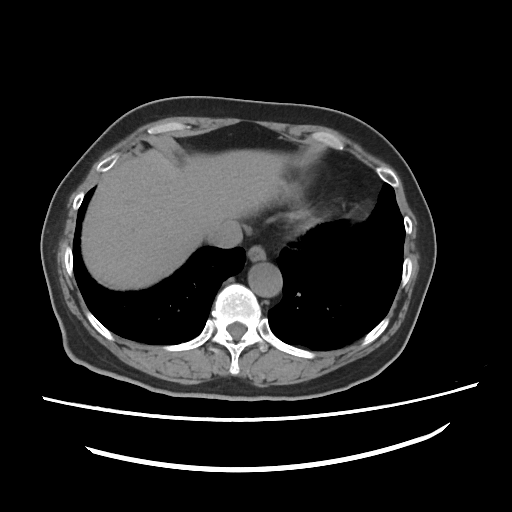
Computed tomography, abdomen. axial view. 512x512 px. acquired on Aquilion ONE
Bounding boxes as [x1, y1, x2, y2] in pixel coordinates. Labeled organs on this slice: aorta at [248, 263, 282, 297], inferior vena cava at [206, 221, 242, 248], esophagus at [247, 245, 265, 261], liver at [81, 149, 287, 289].